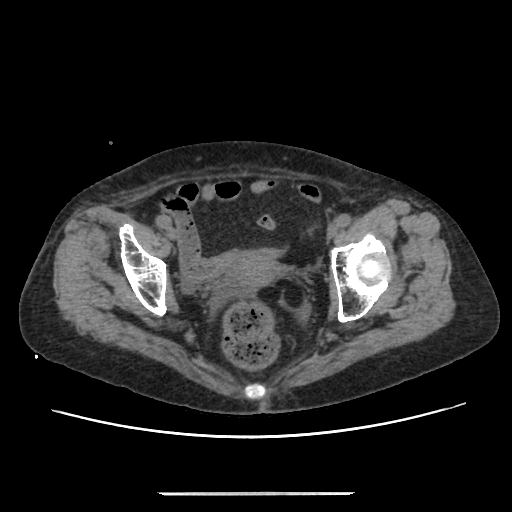 Abdominal CT · axial plane, index 73 · 512x512 px
<organs><organ name="prostate/uterus" x1="231" y1="252" x2="281" y2="291"/></organs>